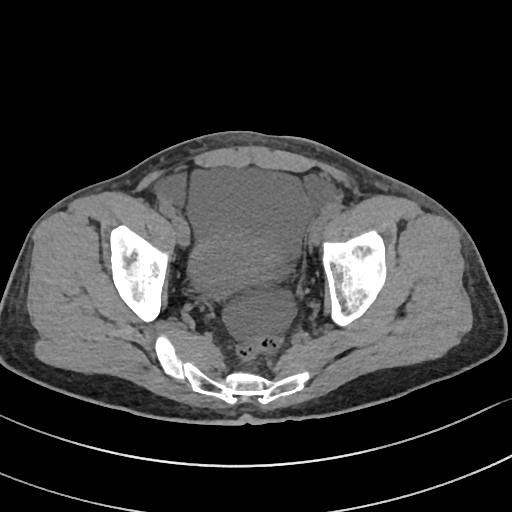
CT abdomen; axial view; soft-tissue window
{"organs":{"bladder":[188,230,281,292]}}